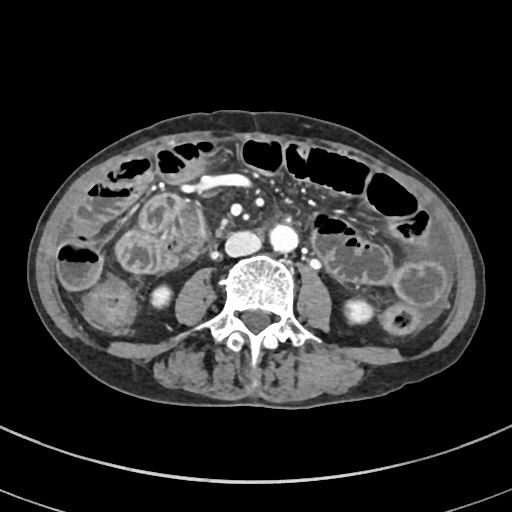
CT abdomen. axial plane, index 94. 512x512 px. scan has 14 labeled organs (that count is for the whole scan; organs this slice misses have no box)
{"organs":{"left kidney":[345,300,372,322],"right kidney":[151,288,169,307],"aorta":[270,225,298,253],"inferior vena cava":[225,231,260,256]}}